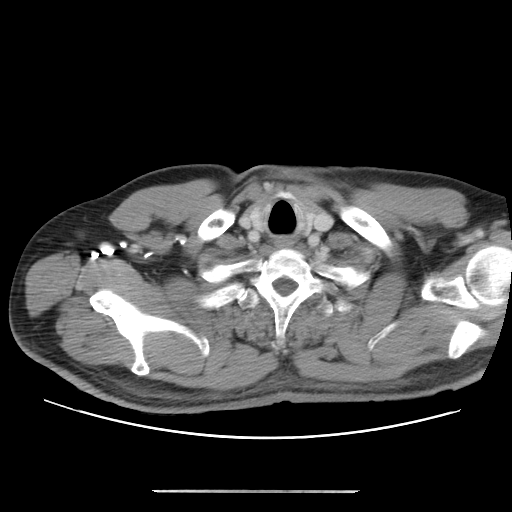

Chest-level slice from an abdominal CT that extends up into the chest — axial plane, index 130 — soft-tissue window (W 400 / L 40) — 512x512 px — SOMATOM Force scanner
On a slice this high in the chest, this dataset labels only the esophagus and the aorta, and each is boxed only where it is labeled; the heart, lungs and other chest structures are not labeled.
<organs><organ name="esophagus" x1="274" y1="239" x2="293" y2="248"/></organs>